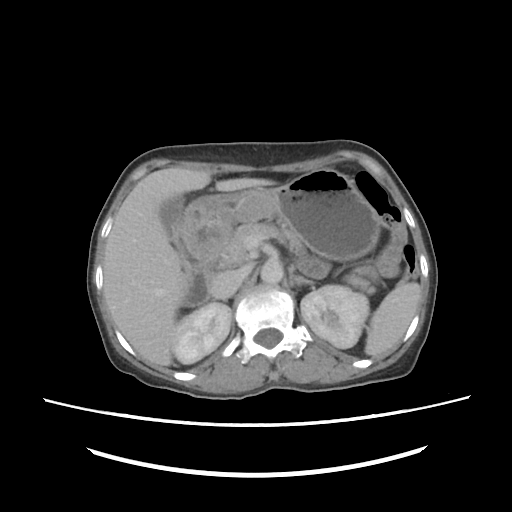
CT, abdomen/pelvis. axial view
Coordinates as <box>x1,y1,x2,y2</box> in pixels. Labeled organs on this slice: spleen at <box>365,281,421,355</box>, right kidney at <box>169,303,231,364</box>, left kidney at <box>301,284,369,348</box>, gall bladder at <box>162,197,185,251</box>, liver at <box>103,167,275,368</box>, stomach at <box>180,167,396,262</box>, aorta at <box>260,259,282,283</box>, inferior vena cava at <box>209,269,244,299</box>, pancreas at <box>216,222,376,293</box>, left adrenal gland at <box>291,275,313,287</box>, duodenum at <box>179,249,330,306</box>.